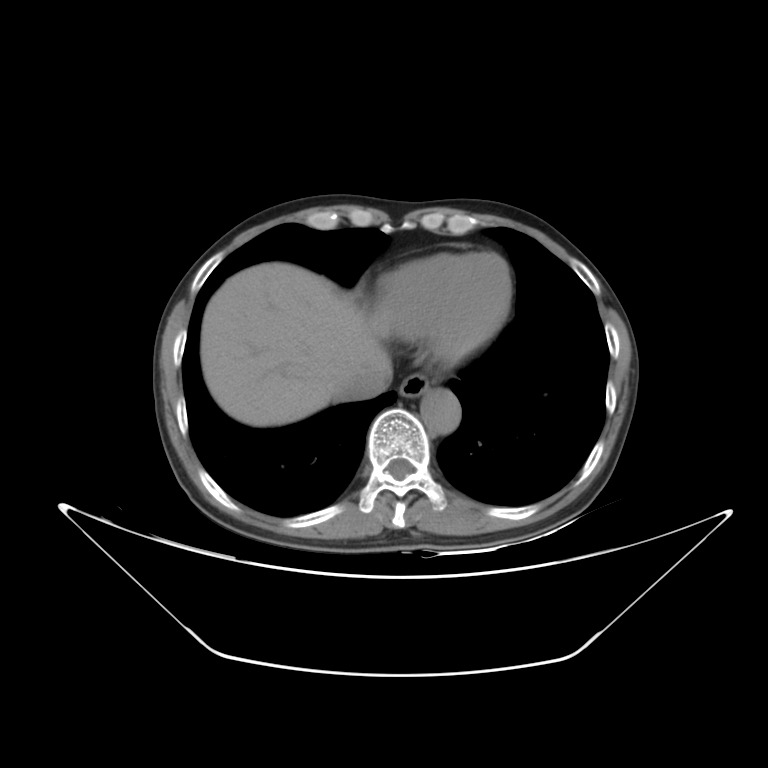
CT, abdomen/pelvis · axial view · W/L 400/40 HU
Coordinates as <box>x1,y1,x2,y2</box> in pixels.
inferior vena cava: <box>336,362,392,401</box>
liver: <box>200,262,389,426</box>
esophagus: <box>399,373,429,397</box>
aorta: <box>420,389,461,434</box>